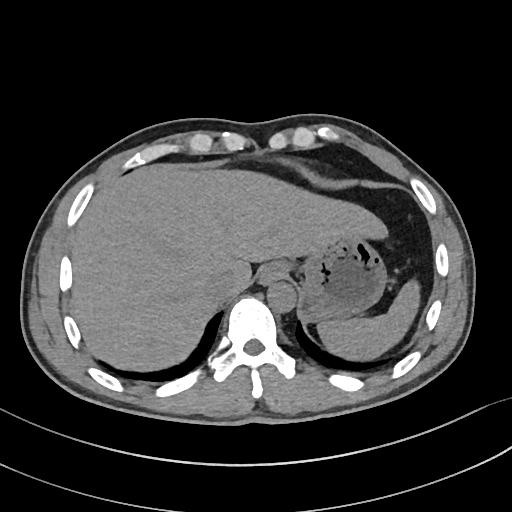
Computed tomography, abdomen. Axial slice 207/228. soft-tissue window. 512x512 px. scan has 15 labeled organs (counted over the whole 3D scan, not this slice; an organ is boxed only where this slice passes through it)
Box edges are left/top/right/bottom in pixels. Labeled organs on this slice: spleen at left=317, top=279, right=420, bottom=359, esophagus at left=258, top=263, right=286, bottom=285, liver at left=71, top=164, right=387, bottom=370, stomach at left=284, top=238, right=387, bottom=320, aorta at left=267, top=282, right=296, bottom=312, inferior vena cava at left=204, top=271, right=235, bottom=302.